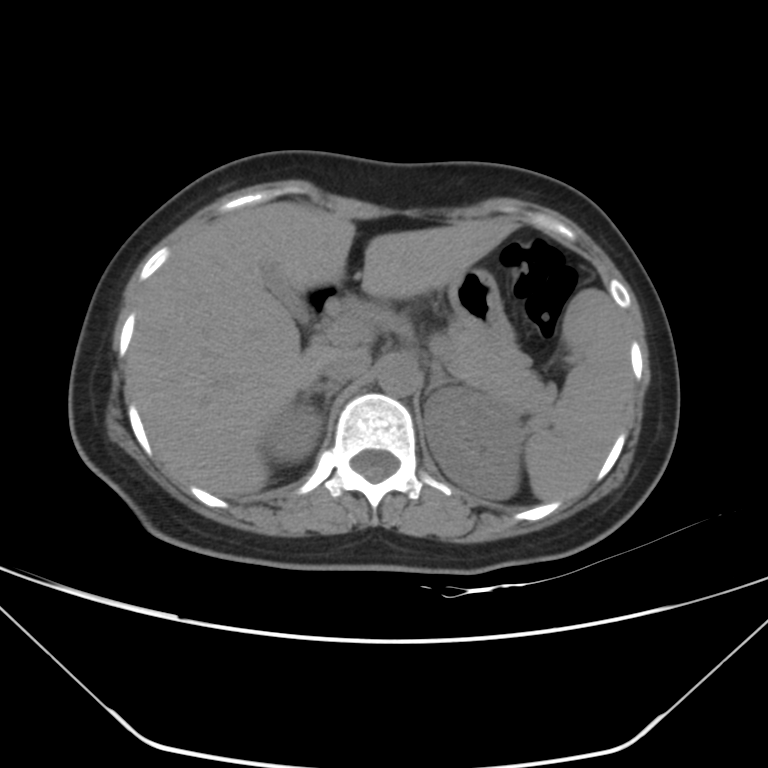

CT abdomen. axial plane, index 65. W/L 400/40 HU. acquired on Brilliance16. scan has 15 labeled organs (a whole-scan count: organs this slice does not pass through have no box)
Organ boxes in pixel coordinates; each row gives the top-left (x1, y1) and bottom-right (x2, y2) corners.
| organ | x1 | y1 | x2 | y2 |
|---|---|---|---|---|
| right kidney | 264 | 403 | 320 | 464 |
| liver | 127 | 201 | 510 | 496 |
| left kidney | 425 | 387 | 523 | 500 |
| aorta | 377 | 357 | 419 | 395 |
| pancreas | 446 | 326 | 556 | 420 |
| left adrenal gland | 426 | 361 | 454 | 393 |
| gall bladder | 262 | 264 | 309 | 322 |
| right adrenal gland | 301 | 382 | 341 | 402 |
| spleen | 524 | 289 | 632 | 501 |
| duodenum | 308 | 286 | 339 | 312 |
| stomach | 448 | 269 | 531 | 367 |
| inferior vena cava | 323 | 350 | 371 | 383 |